Abdominal MRI. coronal plane, index 51. percentile-normalized. acquired on Prisma
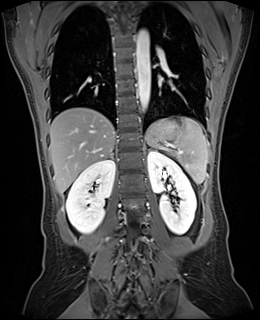

Organ boxes in pixel coordinates; each row gives the top-left (x1, y1) and bottom-right (x2, y2) corners.
| organ | x1 | y1 | x2 | y2 |
|---|---|---|---|---|
| stomach | 150 | 118 | 178 | 138 |
| spleen | 146 | 118 | 208 | 183 |
| right adrenal gland | 110 | 152 | 114 | 158 |
| aorta | 136 | 29 | 150 | 112 |
| left kidney | 148 | 151 | 196 | 234 |
| left adrenal gland | 148 | 148 | 157 | 151 |
| right kidney | 66 | 159 | 115 | 233 |
| liver | 49 | 107 | 114 | 194 |